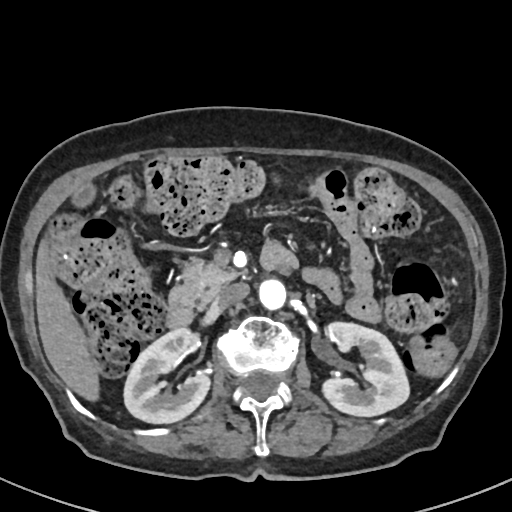

CT abdomen · Axial slice 136/279 · 512x512 px · SOMATOM Force scanner · scan has 15 labeled organs (that count is for the whole scan; organs this slice misses have no box)
Bounding boxes as [x1, y1, x2, y2] in pixel coordinates. Labeled organs on this slice: right kidney at [123, 329, 210, 423], left kidney at [322, 322, 409, 416], gall bladder at [72, 183, 96, 207], liver at [36, 242, 99, 401], aorta at [258, 279, 286, 310], inferior vena cava at [213, 283, 248, 308], pancreas at [169, 257, 239, 304], duodenum at [166, 301, 194, 328].